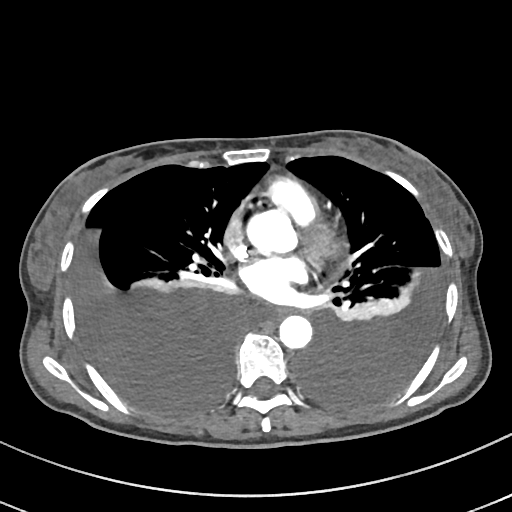
CT of the abdomen reaching into the lower chest, slice just above the liver and spleen — axial view — W/L 400/40 HU — acquired on SOMATOM Force
Of the structures in the chest, this dataset labels only the esophagus, the aorta and the inferior vena cava; the heart and lungs have no label.
Boxes: x1:y1:x2:y2 in pixels.
aorta: 247:210:295:253
aorta: 279:315:312:349
esophagus: 266:307:288:318